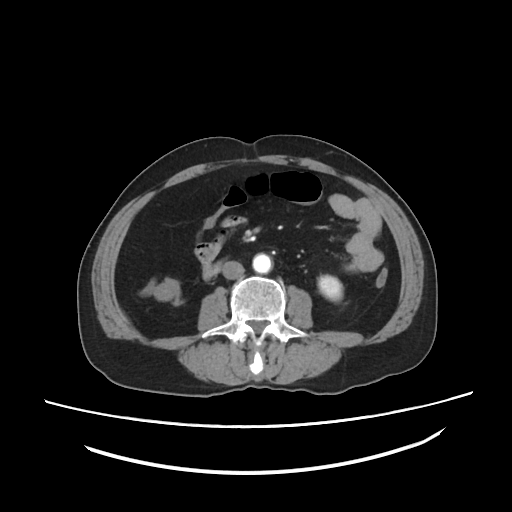

Abdominal CT · axial view · 512x512 px · 68-year-old male patient · Aquilion ONE scanner · 15 organs annotated in this scan (counted over the whole 3D scan, not this slice; an organ is boxed only where this slice passes through it)
One row per box, in pixels: columns x1 and y1 give the top-left corner, x2 and y2 the bottom-right.
| organ | x1 | y1 | x2 | y2 |
|---|---|---|---|---|
| left kidney | 318 | 275 | 342 | 300 |
| aorta | 252 | 253 | 271 | 273 |
| inferior vena cava | 222 | 261 | 244 | 279 |
| duodenum | 203 | 262 | 221 | 279 |